CT abdomen · axial plane, index 14 · W/L 400/40 HU · 768x768 px · 51-year-old male patient
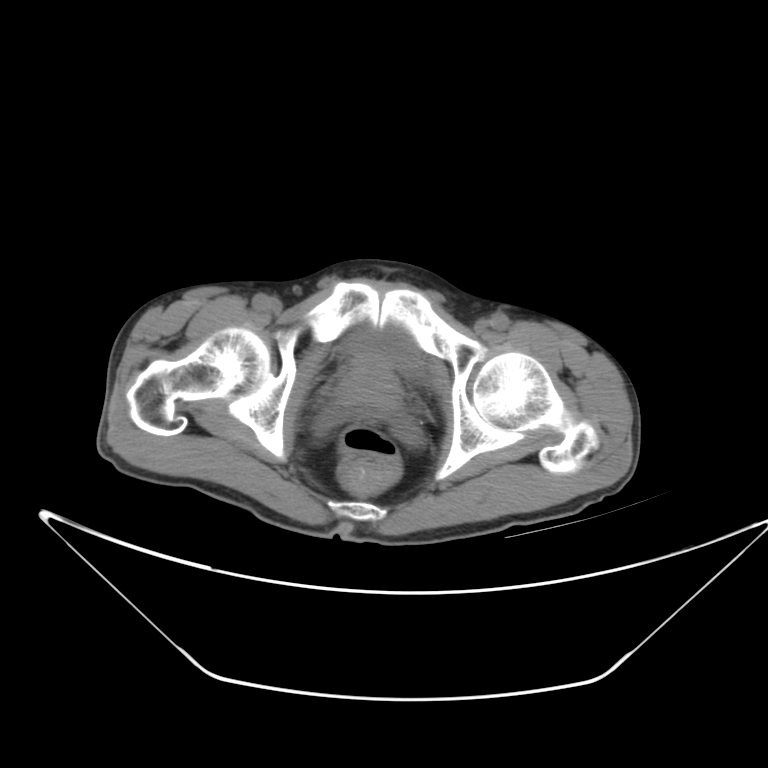

<organs><organ name="bladder" x1="341" y1="327" x2="423" y2="367"/><organ name="prostate/uterus" x1="335" y1="363" x2="403" y2="416"/></organs>